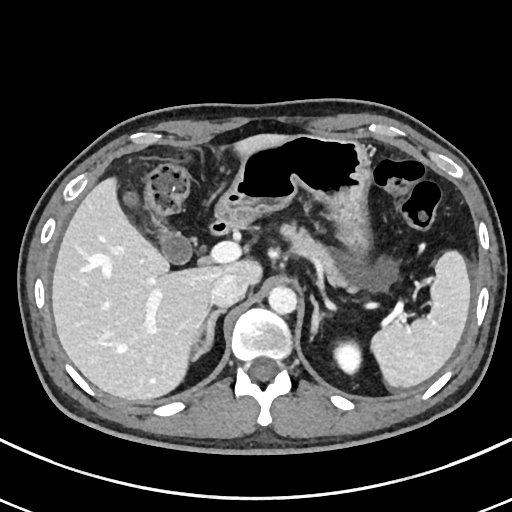
Abdominal CT; Axial slice 167/218; soft-tissue window (W 400 / L 40); acquired on SOMATOM Force
Boxes: x1:y1:x2:y2 in pixels.
Organ bounding boxes:
- spleen: 371:250:470:387
- left kidney: 334:341:361:373
- gall bladder: 124:191:191:263
- liver: 51:134:289:402
- stomach: 215:135:371:259
- aorta: 268:286:296:314
- inferior vena cava: 210:273:247:308
- pancreas: 280:223:346:286
- right adrenal gland: 193:310:225:360
- left adrenal gland: 310:296:324:334
- duodenum: 210:218:235:235